Abdominal CT — axial view
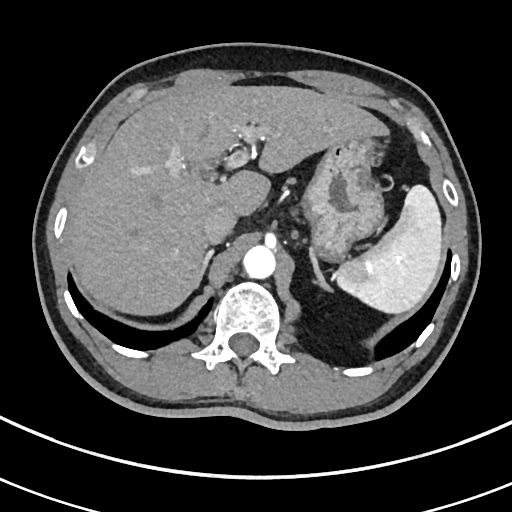

<organs><organ name="spleen" x1="334" y1="184" x2="442" y2="313"/><organ name="liver" x1="65" y1="85" x2="388" y2="315"/><organ name="stomach" x1="302" y1="138" x2="383" y2="259"/><organ name="aorta" x1="243" y1="245" x2="275" y2="278"/><organ name="inferior vena cava" x1="202" y1="206" x2="236" y2="243"/><organ name="right adrenal gland" x1="204" y1="250" x2="213" y2="268"/><organ name="left adrenal gland" x1="311" y1="254" x2="329" y2="288"/></organs>